Computed tomography, abdomen — axial view
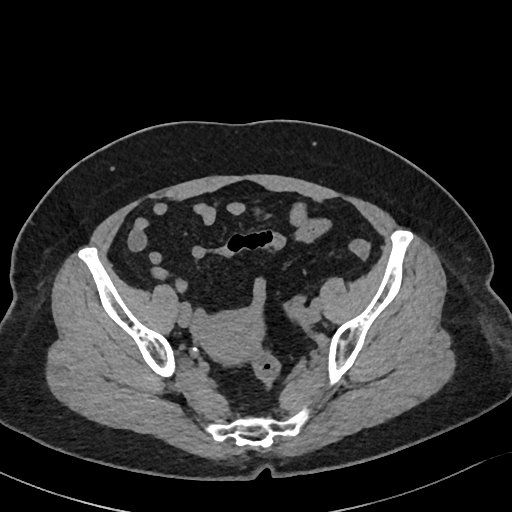 Coordinates as <box>x1,y1,x2,y2</box> in pixels.
prostate/uterus: <box>196,309,261,361</box>